Computed tomography, abdomen — axial view — W/L 400/40 HU — 13 organs annotated in this scan (counted over the whole 3D scan, not this slice; an organ is boxed only where this slice passes through it)
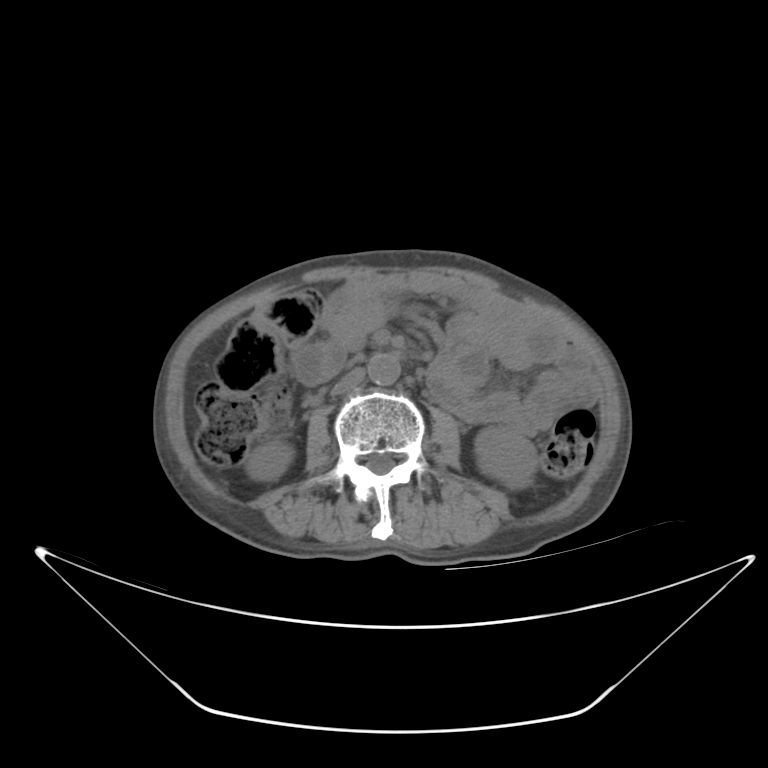 Bounding boxes as [x1, y1, x2, y2] in pixel coordinates. Labeled organs on this slice: right kidney at [248, 440, 293, 481], left kidney at [475, 426, 535, 488], aorta at [367, 353, 400, 385], inferior vena cava at [330, 368, 365, 393].